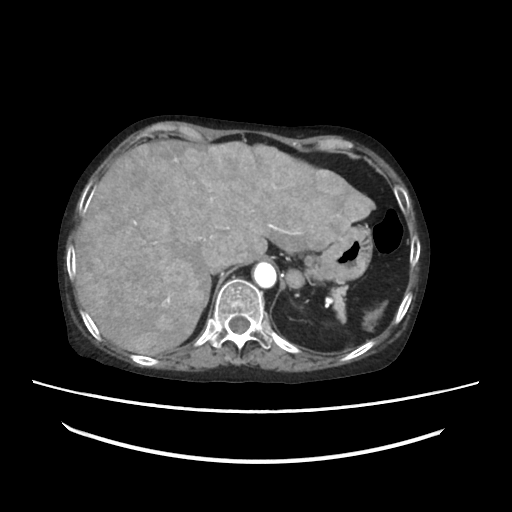

CT, abdomen/pelvis · axial view
Bounding boxes as [x1, y1, x2, y2] in pixel coordinates.
Organ bounding boxes:
- liver: [76, 140, 374, 354]
- stomach: [305, 225, 371, 281]
- aorta: [255, 263, 275, 287]
- inferior vena cava: [207, 264, 226, 273]
- pancreas: [331, 285, 347, 320]